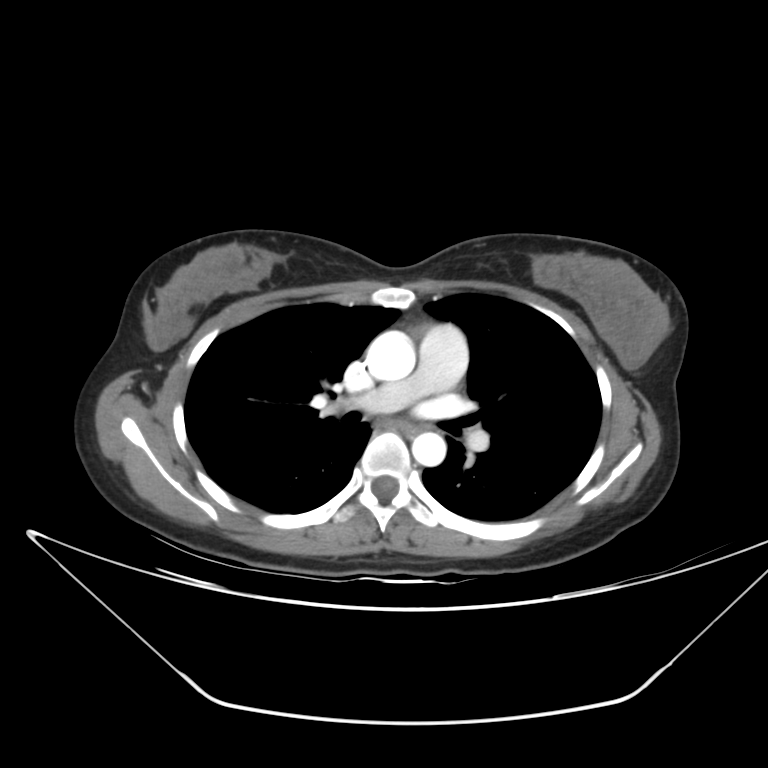

Chest-level CT slice, above the liver and spleen. Axial slice 52/72
At this level of the chest this dataset labels only the esophagus and the aorta, and each is boxed only where it is labeled; the heart and lungs are never labeled. Coordinates as <box>x1,y1,x2,y2</box> in pixels. 2 labeled organs on this slice — esophagus at <box>404,425,426,434</box>; aorta at <box>365,331,415,382</box>; aorta at <box>412,432,446,466</box>.